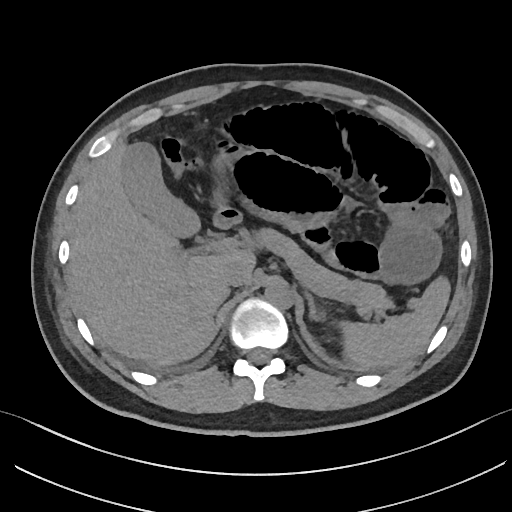
Abdominal CT — axial plane, index 179
Bounding boxes in pixels, one row per box: x1, y1 is the top-left corner and x2, y2 the bottom-right.
| organ | x1 | y1 | x2 | y2 |
|---|---|---|---|---|
| duodenum | 212 | 204 | 242 | 227 |
| gall bladder | 122 | 142 | 198 | 236 |
| liver | 67 | 141 | 257 | 364 |
| left adrenal gland | 308 | 295 | 317 | 315 |
| stomach | 208 | 147 | 233 | 206 |
| pancreas | 256 | 228 | 392 | 311 |
| spleen | 339 | 276 | 451 | 367 |
| inferior vena cava | 222 | 263 | 247 | 287 |
| aorta | 265 | 285 | 293 | 309 |